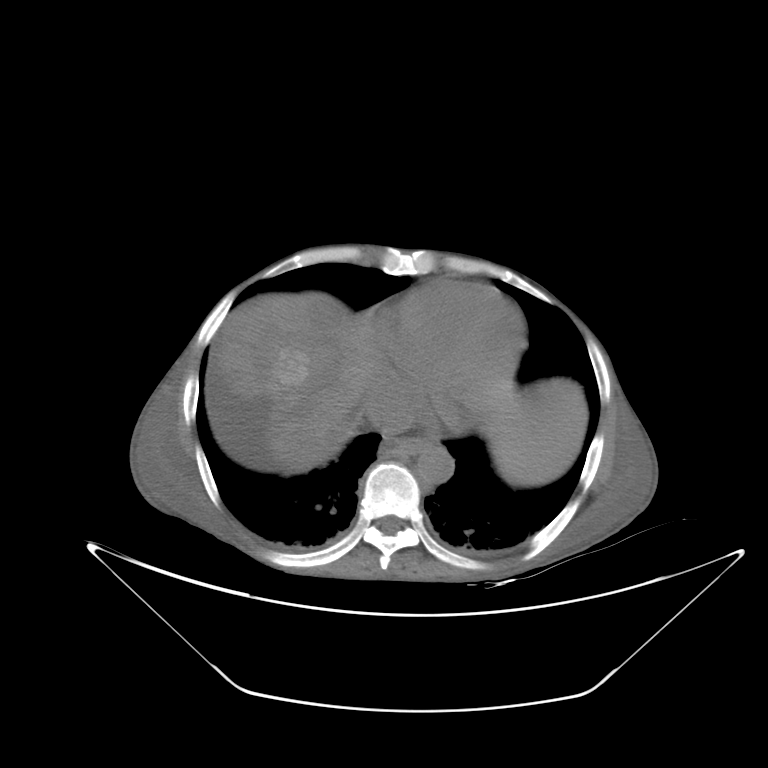
Computed tomography, abdomen; axial view; acquired on Brilliance16
Bounding boxes as [x1, y1, x2, y2] in pixel coordinates.
Organ bounding boxes:
- esophagus: [379, 436, 431, 457]
- liver: [212, 291, 588, 485]
- aorta: [415, 445, 454, 484]
- inferior vena cava: [369, 404, 411, 431]